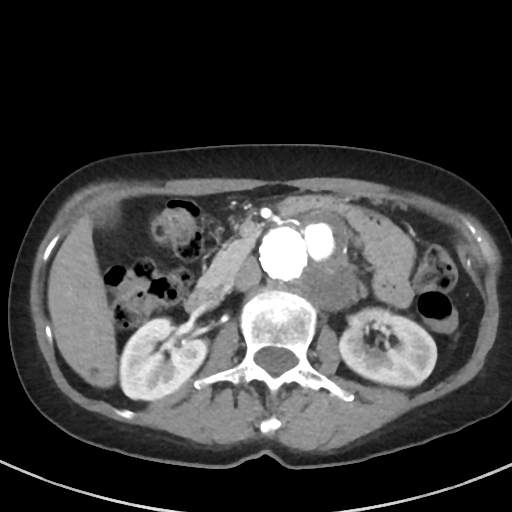
CT abdomen; axial plane, index 48; W/L 400/40 HU; 512x512 px; 15 organs annotated in this scan (a whole-scan count: organs this slice does not pass through have no box)
Boxes: x1 y1 x2 y2 (pixel coords, space-separated).
Organ bounding boxes:
- right kidney: 120 318 207 400
- left kidney: 339 308 436 386
- gall bladder: 92 204 119 227
- liver: 47 215 116 387
- aorta: 257 211 354 304
- inferior vena cava: 233 257 261 290
- pancreas: 199 234 256 286
- duodenum: 184 284 223 313